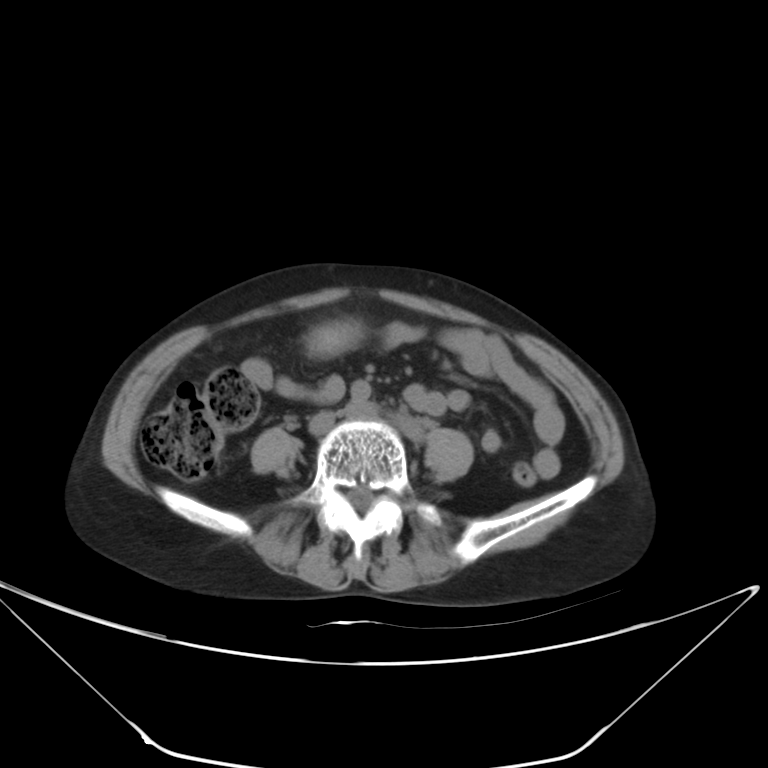 CT abdomen · axial view
Coordinates as <box>x1,y1,x2,y2</box> in pixels.
stomach: <box>310,323,359,355</box>